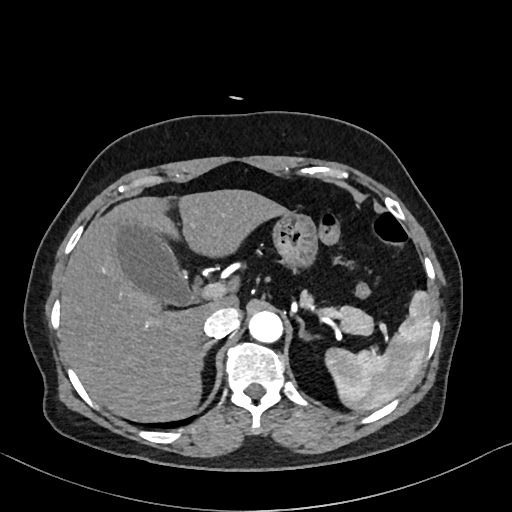
Abdominal CT; axial view
Boxes: x1 y1 x2 y2 (pixel coords, space-separated).
Organ bounding boxes:
- liver: 61 189 288 421
- gall bladder: 113 221 193 305
- aorta: 249 311 283 343
- stomach: 272 211 317 270
- inferior vena cava: 203 307 239 338
- spleen: 325 290 431 411
- right adrenal gland: 199 340 215 358
- pancreas: 301 291 373 335
- left adrenal gland: 298 318 313 340